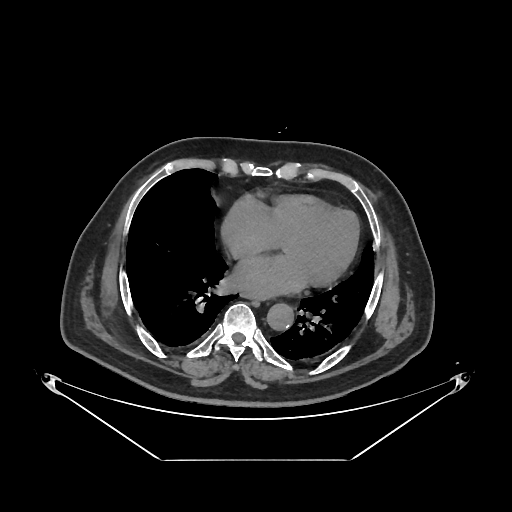 CT of the abdomen reaching into the lower chest, slice just above the liver and spleen · axial view · 512x512 px
The heart and lungs are never labeled in this dataset, so they have no box on this slice.
<organs><organ name="esophagus" x1="243" y1="295" x2="266" y2="301"/><organ name="aorta" x1="267" y1="303" x2="294" y2="330"/></organs>